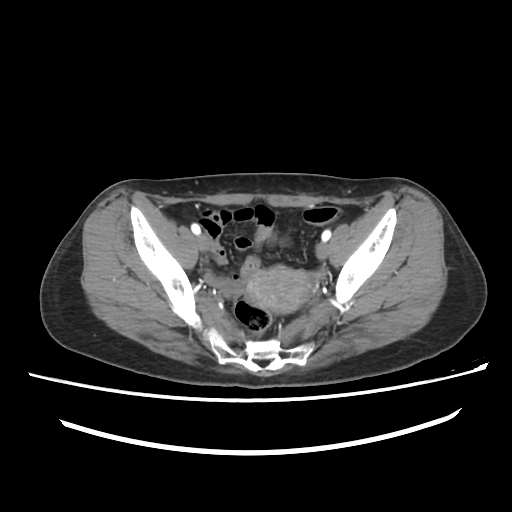

CT abdomen. axial view. W/L 400/40 HU. 512x512 px
<organs><organ name="prostate/uterus" x1="247" y1="265" x2="309" y2="313"/></organs>